Abdominal CT; axial view; 512x512 px
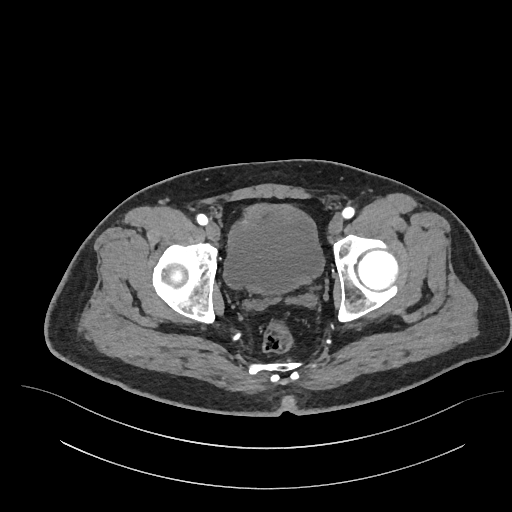 Each box given as x1,y1,x2,y2.
bladder: x1=223, y1=205, x2=323, y2=294